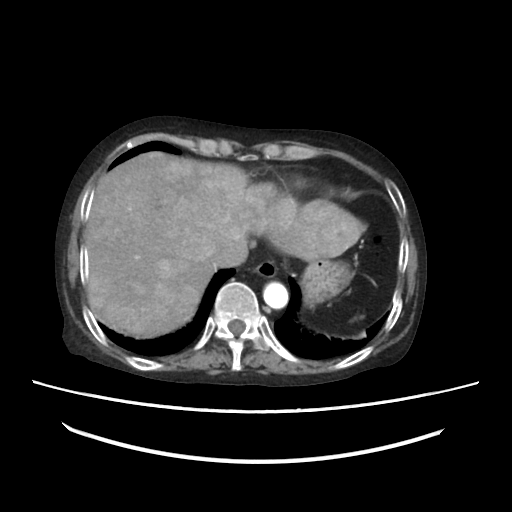 Computed tomography, abdomen · axial plane, index 78 · soft-tissue window
Coordinates as <box>x1,y1,x2,y2</box> in pixels.
Organ bounding boxes:
- stomach: <box>303,261,351,306</box>
- esophagus: <box>253,259,277,277</box>
- liver: <box>84,152,363,337</box>
- inferior vena cava: <box>212,240,248,268</box>
- aorta: <box>262,282,288,308</box>